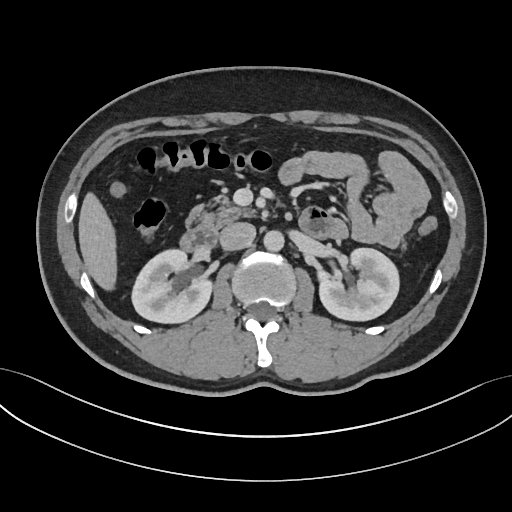

Abdominal CT · axial view · 15 organs annotated in this scan (a whole-scan count: organs this slice does not pass through have no box)
Boxes are (x1, y1, x2, y2) in pixels. The annotated organs in this slice are: right kidney at (131, 248, 211, 322), left kidney at (319, 248, 400, 320), liver at (79, 195, 117, 289), aorta at (263, 230, 284, 250), inferior vena cava at (220, 222, 255, 250), pancreas at (185, 199, 256, 231), duodenum at (181, 227, 219, 251).